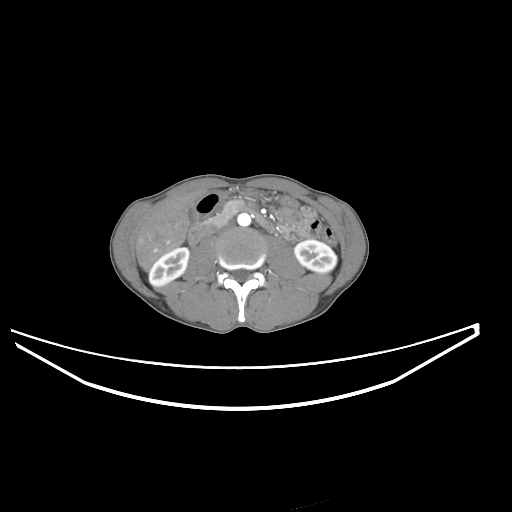

Abdominal CT · axial view · soft-tissue window (W 400 / L 40)
Box edges are left/top/right/bottom in pixels. 9 labeled organs on this slice — liver at left=135, top=192, right=200, bottom=270; duodenum at left=188, top=208, right=273, bottom=245; inferior vena cava at left=216, top=219, right=235, bottom=234; pancreas at left=209, top=200, right=244, bottom=225; stomach at left=195, top=191, right=224, bottom=216; left kidney at left=294, top=240, right=336, bottom=272; aorta at left=237, top=213, right=250, bottom=226; right kidney at left=149, top=247, right=189, bottom=286; gall bladder at left=187, top=206, right=197, bottom=224.